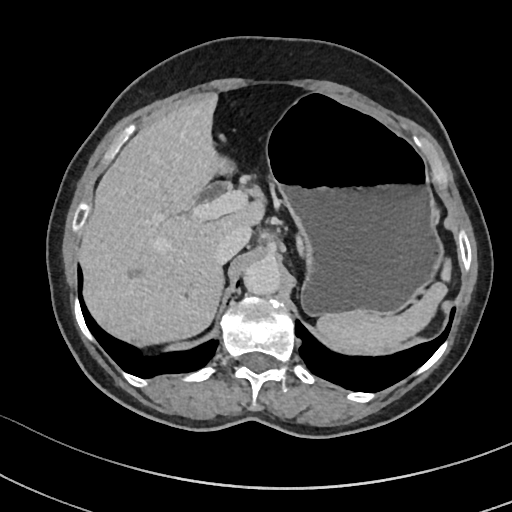

Abdominal CT · axial plane, index 150
{"organs":{"inferior vena cava":[215,225,251,263],"liver":[79,92,264,345],"stomach":[269,95,442,315],"spleen":[317,260,451,354],"aorta":[243,258,281,295]}}